Computed tomography, abdomen; Axial slice 49/280
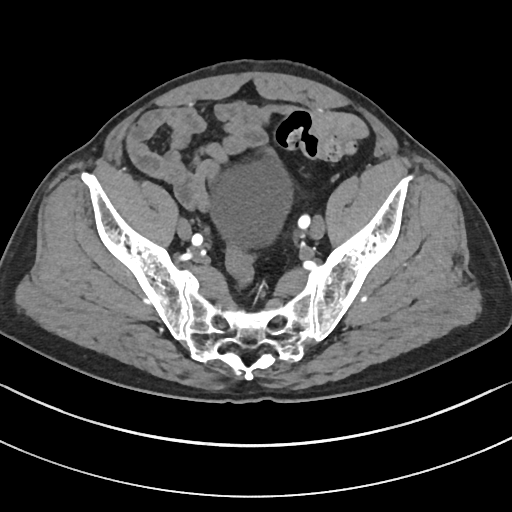
Boxes: x1 y1 x2 y2 (pixel coords, space-separated). 1 labeled organ on this slice — bladder at 213 160 292 245.